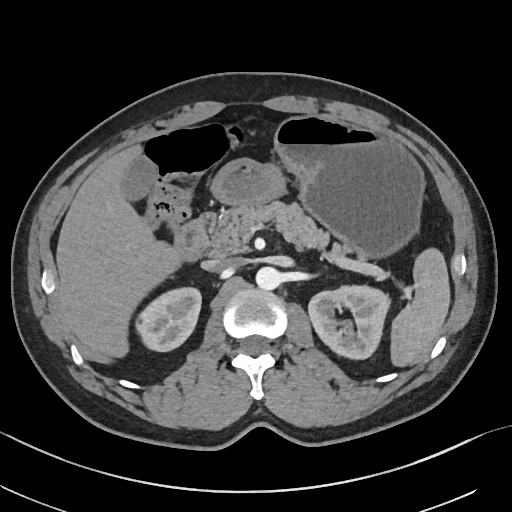 Computed tomography, abdomen; Axial slice 157/307; soft-tissue window; scan has 15 labeled organs (that count is for the whole scan; organs this slice misses have no box)
Boxes: x1:y1:x2:y2 in pixels.
Organ bounding boxes:
- inferior vena cava: 202:258:241:271
- spleen: 391:247:449:365
- liver: 56:144:181:356
- right kidney: 135:286:201:351
- stomach: 214:114:423:254
- gall bladder: 121:155:155:199
- left kidney: 309:286:388:358
- aorta: 256:266:280:289
- duodenum: 173:213:212:261
- pancreas: 208:202:369:259